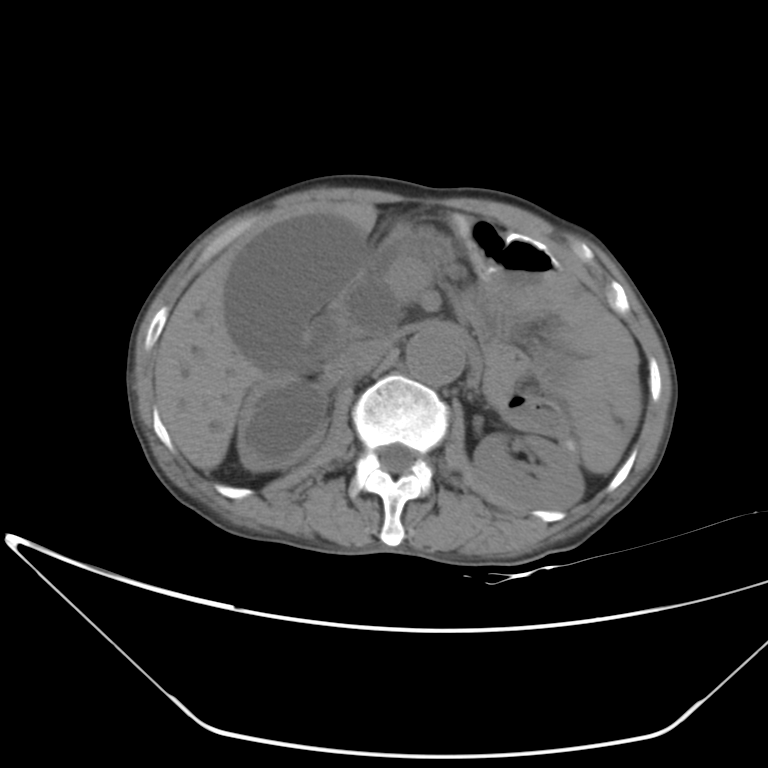
CT, abdomen/pelvis. axial view. 768x768 px. scan has 15 labeled organs (a whole-scan count: organs this slice does not pass through have no box)
Boxes: x1 y1 x2 y2 (pixel coords, space-separated).
duodenum: 299 314 343 368
pancreas: 392 229 466 279
left kidney: 474 436 584 509
inferior vena cava: 328 338 390 379
spleen: 610 370 642 428
right kidney: 237 370 327 470
liver: 154 203 409 470
gall bladder: 224 211 366 369
aorta: 406 328 465 385